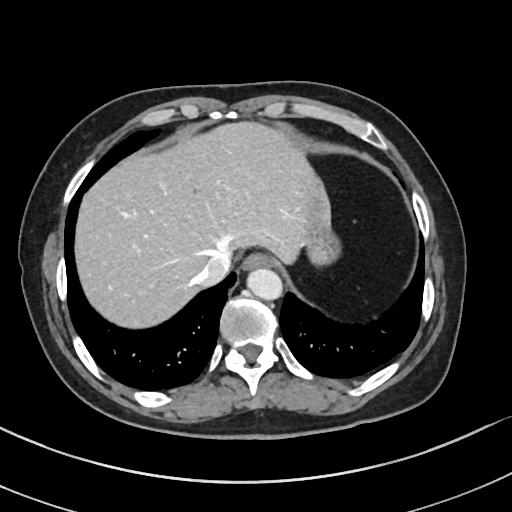
Abdominal CT. Axial slice 211/314. soft-tissue window (W 400 / L 40). 512x512 px
Boxes: x1 y1 x2 y2 (pixel coords, space-separated).
inferior vena cava: 194 250 230 286
aorta: 247 268 282 300
stomach: 305 191 341 266
liver: 75 122 322 328
esophagus: 242 253 271 270